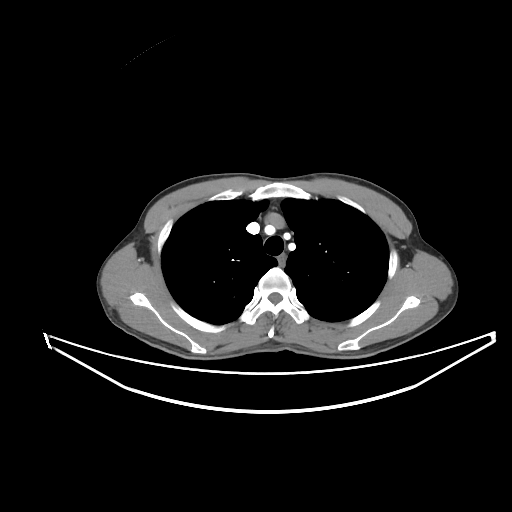
Chest-level CT slice, above the liver and spleen · Axial slice 122/134 · W/L 400/40 HU · 15 organs annotated in this scan (counted over the whole 3D scan, not this slice; an organ is boxed only where this slice passes through it)
At this level of the chest this dataset labels only the esophagus and the aorta, and each is boxed only where it is labeled; the heart and lungs are never labeled.
<organs><organ name="esophagus" x1="277" y1="255" x2="285" y2="267"/></organs>